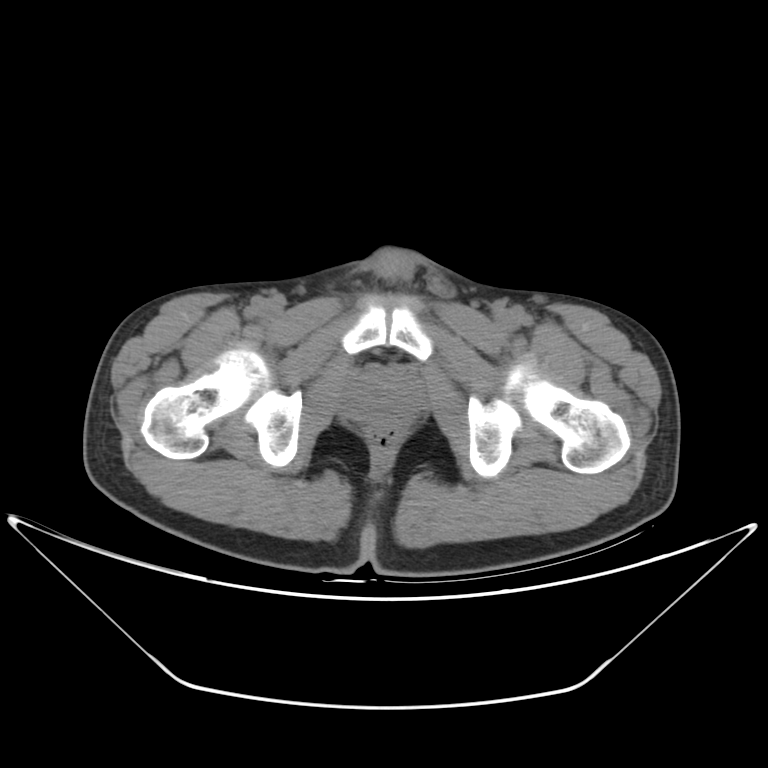

CT abdomen. axial plane, index 12. 30-year-old male patient. scan has 15 labeled organs (counted over the whole 3D scan, not this slice; an organ is boxed only where this slice passes through it)
<organs><organ name="prostate/uterus" x1="342" y1="370" x2="420" y2="425"/></organs>